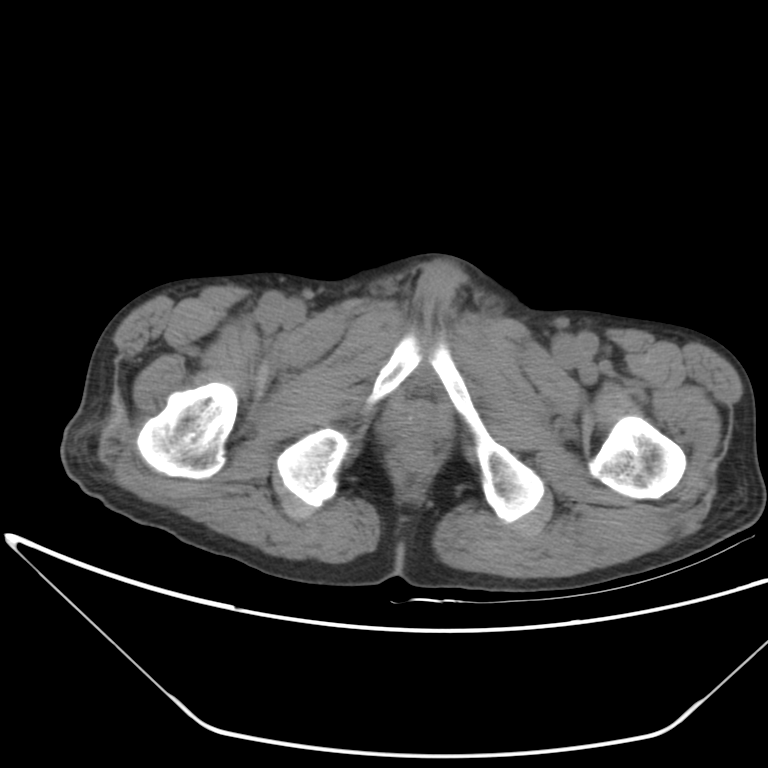
CT, abdomen/pelvis · Axial slice 7/82 · W/L 400/40 HU
Boxes: x1 y1 x2 y2 (pixel coords, space-separated). The annotated organs in this slice are: prostate/uterus at 396 403 434 437.